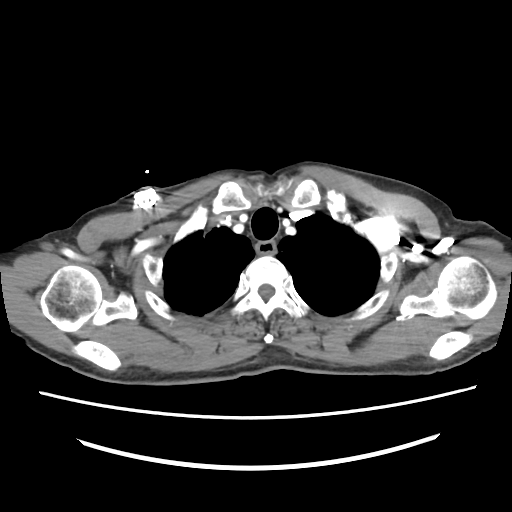 Chest-level CT slice, above the liver and spleen; Axial slice 126/134
At this level of the chest no structure but the esophagus and the aorta has a label in this dataset, and those two are boxed only where they are labeled.
Coordinates as <box>x1,y1,x2,y2</box> in pixels.
esophagus: <box>255,241,275,254</box>